Abdominal CT · axial plane, index 133 · soft-tissue window (W 400 / L 40) · 512x512 px · scan has 15 labeled organs (a whole-scan count: organs this slice does not pass through have no box)
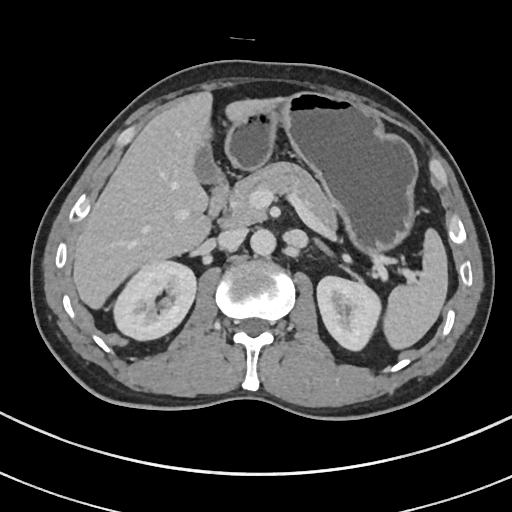 Each box given as x1,y1,x2,y2. Labeled organs on this slice: spleen at x1=383, y1=228, x2=447, y2=349, right kidney at x1=113, y1=261, x2=196, y2=340, left kidney at x1=317, y1=276, x2=380, y2=350, gall bladder at x1=194, y1=139, x2=220, y2=183, liver at x1=73, y1=92, x2=282, y2=308, stomach at x1=225, y1=92, x2=418, y2=253, aorta at x1=251, y1=229, x2=276, y2=256, inferior vena cava at x1=217, y1=227, x2=247, y2=251, pancreas at x1=224, y1=162, x2=336, y2=228, left adrenal gland at x1=314, y1=239, x2=332, y2=255, duodenum at x1=208, y1=176, x2=228, y2=224.